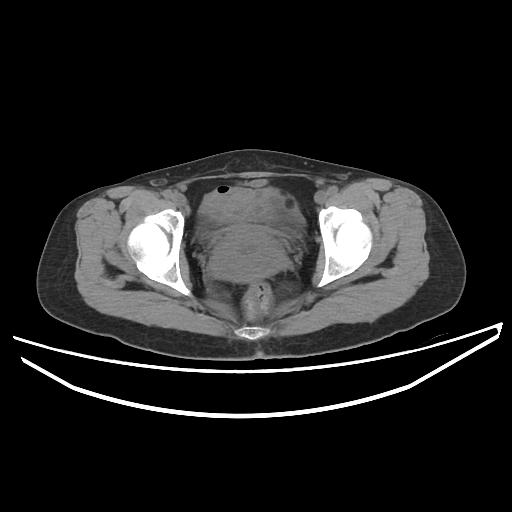
CT, abdomen/pelvis. axial view. abdomen soft-tissue window. scan has 15 labeled organs (counted over the whole 3D scan, not this slice; an organ is boxed only where this slice passes through it)
Bounding boxes in pixels, one row per box: x1, y1 is the top-left corner and x2, y2 the bottom-right.
| organ | x1 | y1 | x2 | y2 |
|---|---|---|---|---|
| bladder | 212 | 180 | 287 | 236 |
| prostate/uterus | 210 | 230 | 286 | 282 |